CT, abdomen/pelvis — axial view — soft-tissue window — 512x512 px — 15 organs annotated in this scan (that count is for the whole scan; organs this slice misses have no box)
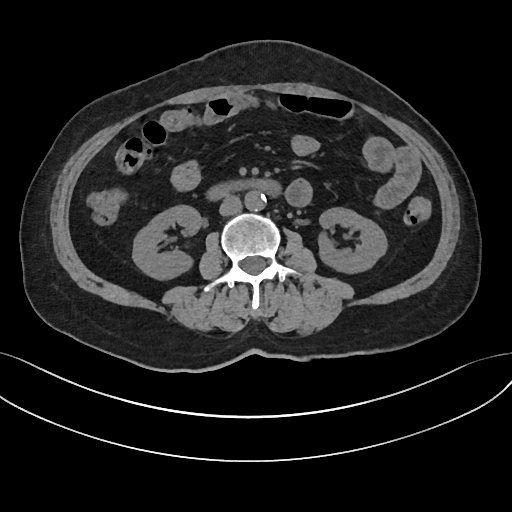 Organ boxes in pixel coordinates; each row gives the top-left (x1, y1) and bottom-right (x2, y2) corners.
| organ | x1 | y1 | x2 | y2 |
|---|---|---|---|---|
| inferior vena cava | 219 | 195 | 242 | 215 |
| duodenum | 209 | 179 | 279 | 197 |
| right kidney | 132 | 204 | 201 | 277 |
| left kidney | 317 | 207 | 387 | 271 |
| aorta | 244 | 190 | 266 | 210 |